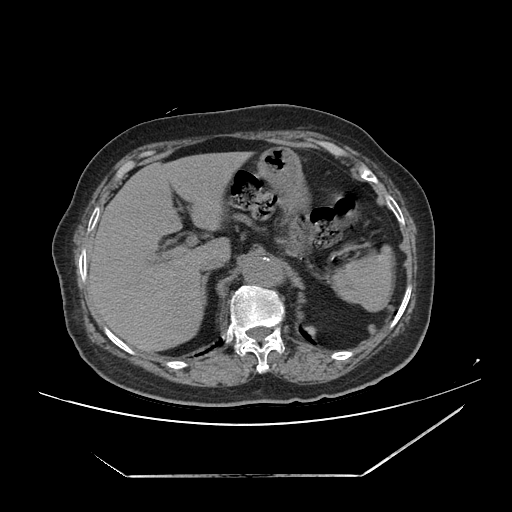 Computed tomography, abdomen; axial view; SOMATOM Force scanner
Box edges are left/top/right/bottom in pixels.
Organ bounding boxes:
- right adrenal gland: left=204, top=274, right=208, bottom=286
- stomach: left=259, top=147, right=313, bottom=257
- liver: left=89, top=151, right=253, bottom=352
- spleen: left=330, top=247, right=393, bottom=311
- aorta: left=243, top=256, right=285, bottom=287
- inferior vena cava: left=199, top=255, right=226, bottom=271